CT abdomen · axial plane, index 173 · soft-tissue window (W 400 / L 40) · 512x512 px
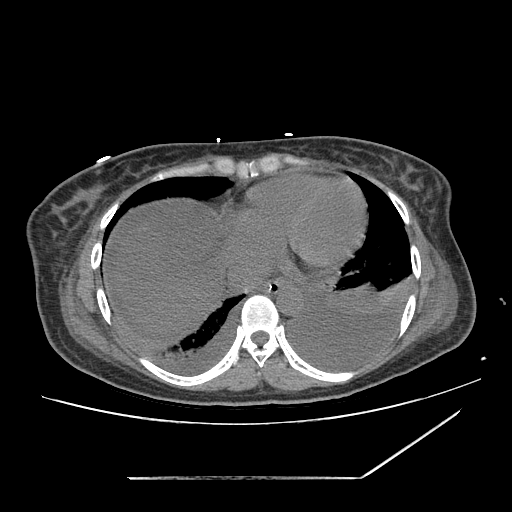

Boxes: x1 y1 x2 y2 (pixel coords, space-separated).
Organ bounding boxes:
- esophagus: 258 279 290 293
- liver: 115 205 228 336
- stomach: 277 286 291 294
- aorta: 276 287 302 316
- inferior vena cava: 228 258 268 290